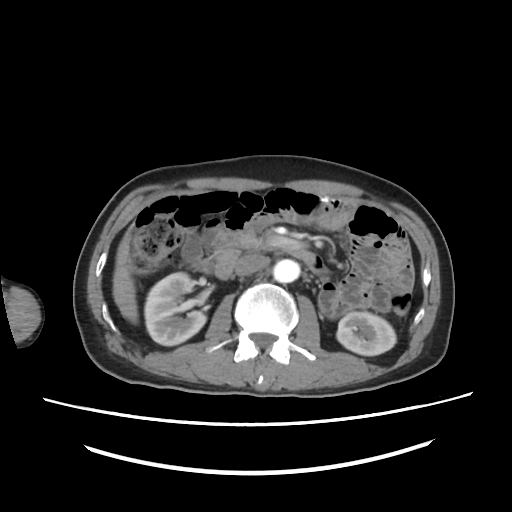 CT abdomen — axial plane, index 65 — abdomen soft-tissue window — 512x512 px — 61-year-old male patient — acquired on Aquilion ONE — scan has 14 labeled organs (counted over the whole 3D scan, not this slice; an organ is boxed only where this slice passes through it)
<organs><organ name="inferior vena cava" x1="233" y1="254" x2="268" y2="276"/><organ name="right kidney" x1="144" y1="273" x2="205" y2="344"/><organ name="aorta" x1="274" y1="258" x2="301" y2="281"/><organ name="duodenum" x1="215" y1="243" x2="315" y2="279"/><organ name="left kidney" x1="336" y1="312" x2="396" y2="354"/><organ name="liver" x1="113" y1="230" x2="138" y2="322"/></organs>